CT of the abdomen extending into the chest, slice through the chest · Axial slice 256/297 · scan has 15 labeled organs (that count is for the whole scan; organs this slice misses have no box)
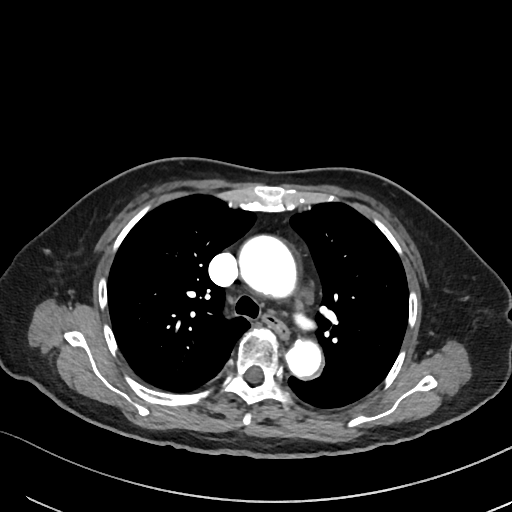

At this level of the chest this dataset labels only the esophagus and the aorta, and each is boxed only where it is labeled; the heart and lungs are never labeled.
<organs><organ name="esophagus" x1="262" y1="314" x2="288" y2="339"/><organ name="aorta" x1="239" y1="235" x2="296" y2="297"/><organ name="aorta" x1="286" y1="339" x2="321" y2="378"/></organs>